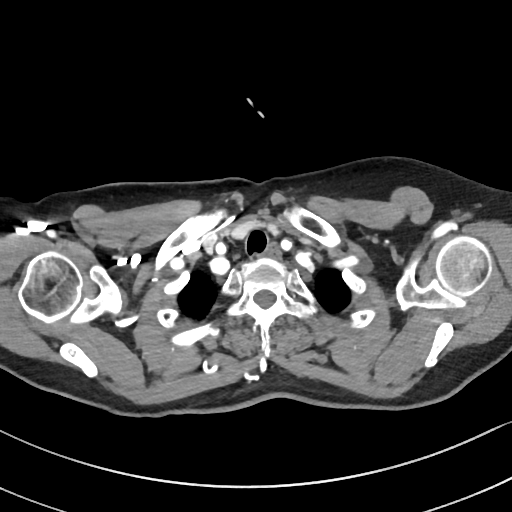

Chest-level slice from an abdominal CT that extends up into the chest · axial view · scan has 15 labeled organs (counted over the whole 3D scan, not this slice; an organ is boxed only where this slice passes through it)
At this level of the chest no structure but the esophagus and the aorta has a label in this dataset, and those two are boxed only where they are labeled.
Coordinates as <box>x1,y1,x2,y2</box> in pixels.
Organ bounding boxes:
- esophagus: <box>259,240,282,260</box>